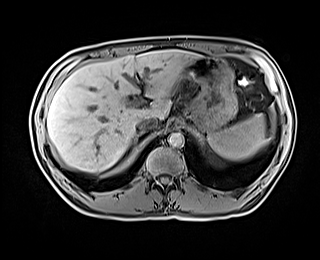

Abdominal MR — axial plane, index 53 — acquired on Prisma
Boxes are (x1, y1, x2, y2) in pixels.
Organ bounding boxes:
- spleen: (208, 114, 266, 160)
- liver: (47, 49, 200, 172)
- stomach: (183, 57, 236, 130)
- aorta: (168, 132, 183, 147)
- inferior vena cava: (136, 117, 158, 133)
- right adrenal gland: (130, 137, 138, 144)